Computed tomography, abdomen · axial plane, index 61 · 39-year-old female patient
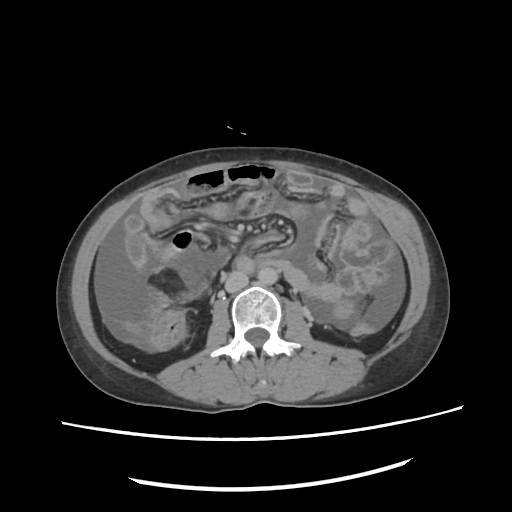 Boxes: x1:y1:x2:y2 in pixels. Labeled organs on this slice: aorta at 258:267:277:285, inferior vena cava at 226:271:248:291.